CT, abdomen/pelvis — axial view — abdomen soft-tissue window — 512x512 px
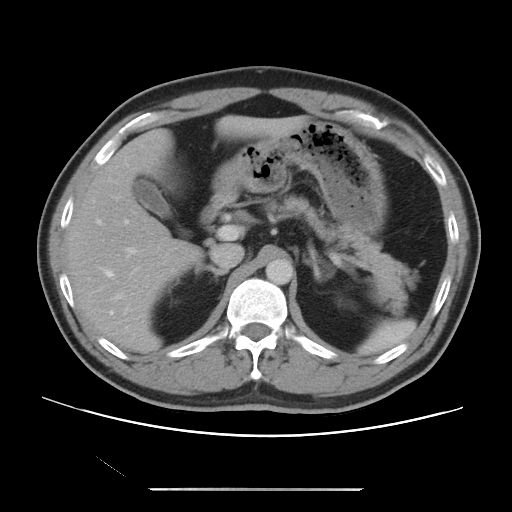 Box edges are left/top/right/bottom in pixels. 10 labeled organs on this slice — left adrenal gland at left=305, top=257, right=322, bottom=281; spleen at left=357, top=319, right=416, bottom=355; aorta at left=265, top=258, right=293, bottom=284; stomach at left=212, top=120, right=386, bottom=235; inferior vena cava at left=210, top=243, right=244, bottom=269; duodenum at left=200, top=198, right=224, bottom=224; right adrenal gland at left=195, top=265, right=228, bottom=279; liver at left=65, top=114, right=308, bottom=353; pancreas at left=264, top=196, right=415, bottom=313; gall bladder at left=132, top=179, right=171, bottom=218.